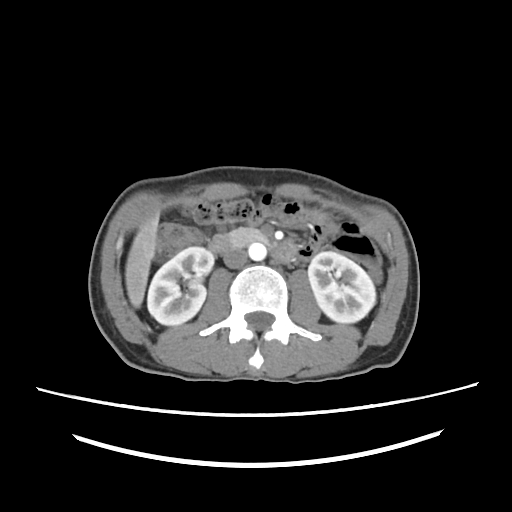
CT abdomen. axial plane, index 20. abdomen soft-tissue window
Bounding boxes as [x1, y1, x2, y2] in pixel coordinates.
right kidney: [147, 246, 213, 325]
left kidney: [308, 252, 374, 322]
liver: [124, 209, 159, 308]
aorta: [249, 242, 265, 260]
inferior vena cava: [222, 248, 248, 268]
pancreas: [226, 227, 268, 246]
duodenum: [205, 234, 296, 260]